Chest-level CT slice, above the liver and spleen — axial view — soft-tissue window (W 400 / L 40)
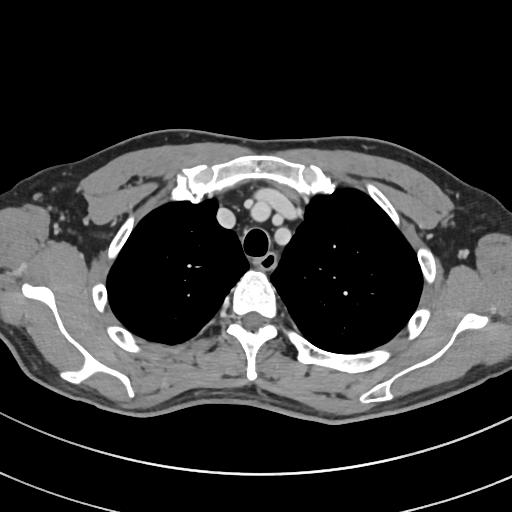
At this level of the chest this dataset labels only the esophagus and the aorta, and each is boxed only where it is labeled; the heart and lungs are never labeled.
Bounding boxes in pixels, one row per box: x1, y1 is the top-left corner and x2, y2 the bottom-right.
| organ | x1 | y1 | x2 | y2 |
|---|---|---|---|---|
| esophagus | 257 | 252 | 277 | 269 |